CT, abdomen/pelvis. axial view. abdomen soft-tissue window. 55-year-old male patient. acquired on Brilliance16
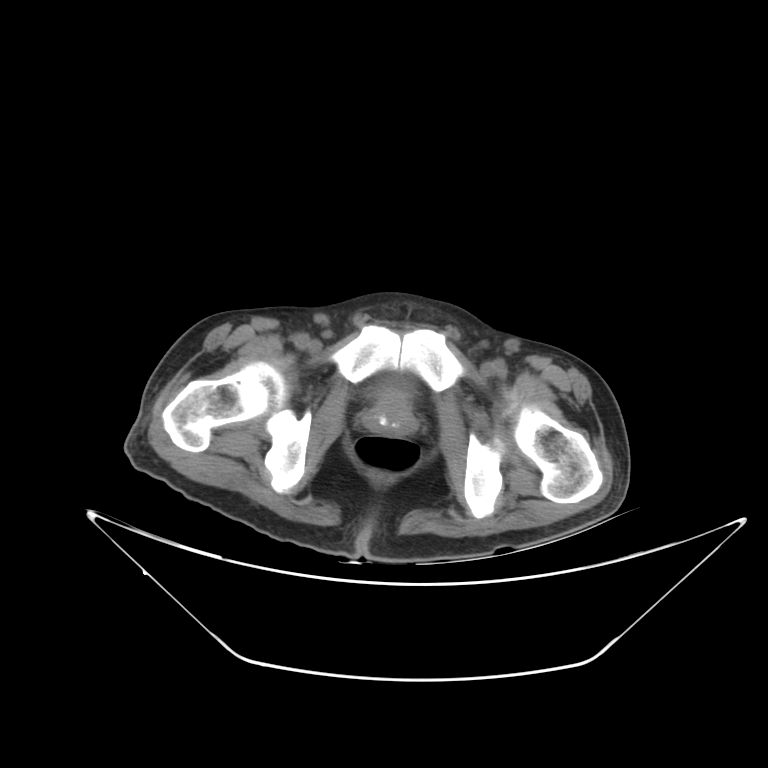

Boxes: x1:y1:x2:y2 in pixels. Labeled organs on this slice: prostate/uterus at 365:397:414:437, bladder at 372:375:415:400.